Abdominal CT; this slice is in the lower chest, just above the liver; axial view; 52-year-old male patient
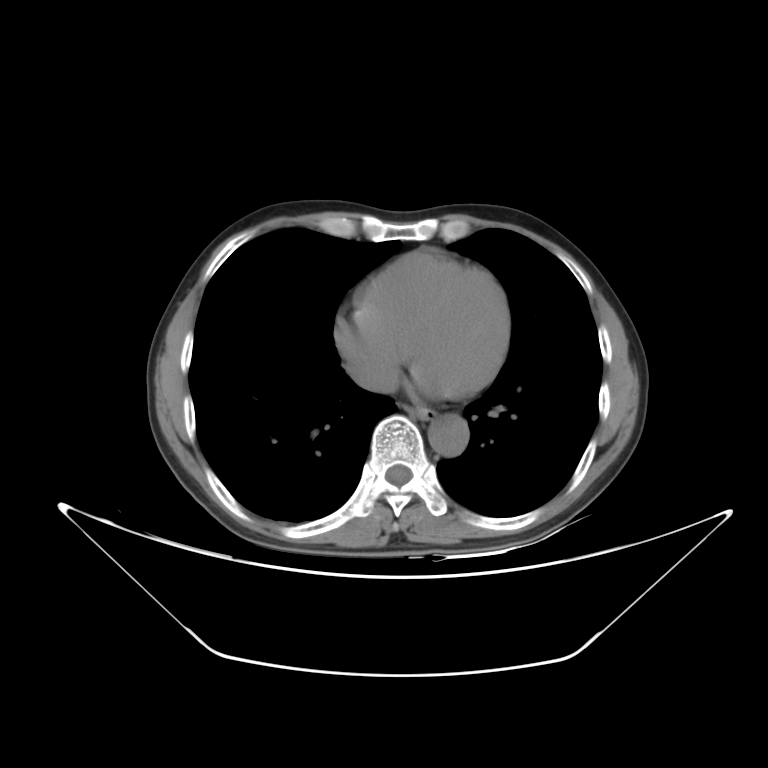

The heart and lungs are never labeled in this dataset, so they have no box on this slice.
Boxes: x1:y1:x2:y2 in pixels.
Organ bounding boxes:
- esophagus: 402:405:436:419
- aorta: 428:414:469:456
- inferior vena cava: 355:365:397:391